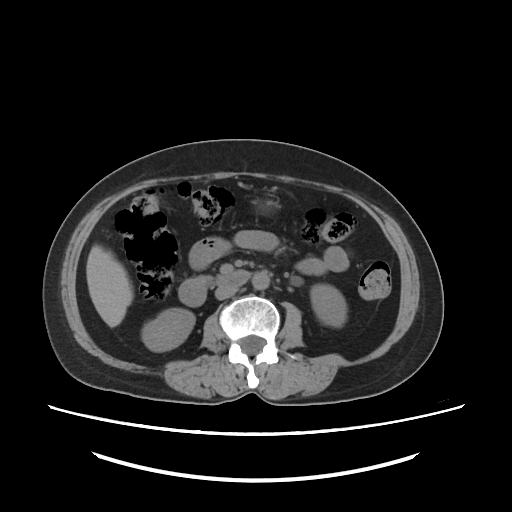
Computed tomography, abdomen · Axial slice 55/85 · acquired on Aquilion ONE · 15 organs annotated in this scan (counted over the whole 3D scan, not this slice; an organ is boxed only where this slice passes through it)
Boxes are (x1, y1, x2, y2) in pixels.
Organ bounding boxes:
- right kidney: (143, 308, 193, 349)
- left kidney: (309, 285, 346, 327)
- liver: (87, 244, 132, 326)
- aorta: (254, 273, 268, 287)
- inferior vena cava: (215, 285, 237, 300)
- duodenum: (178, 271, 249, 304)